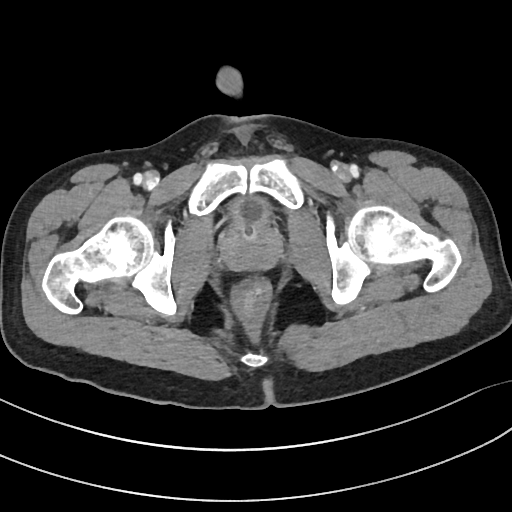
CT abdomen; axial view; 512x512 px; acquired on SOMATOM Force
Box edges are left/top/right/bottom in pixels. 2 labeled organs on this slice — prostate/uterus at left=222, top=225, right=281, bottom=270; bladder at left=225, top=195, right=274, bottom=228.